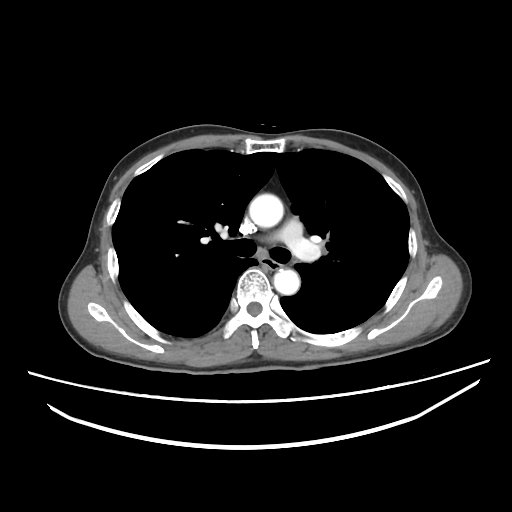

Chest-level CT slice, above the liver and spleen — Axial slice 77/109 — W/L 400/40 HU — 63-year-old male patient — 13 organs annotated in this scan (a whole-scan count: organs this slice does not pass through have no box)
At this level of the chest no structure but the esophagus and the aorta has a label in this dataset, and those two are boxed only where they are labeled.
<organs><organ name="esophagus" x1="260" y1="259" x2="281" y2="267"/><organ name="aorta" x1="249" y1="193" x2="283" y2="227"/><organ name="aorta" x1="273" y1="269" x2="300" y2="295"/></organs>